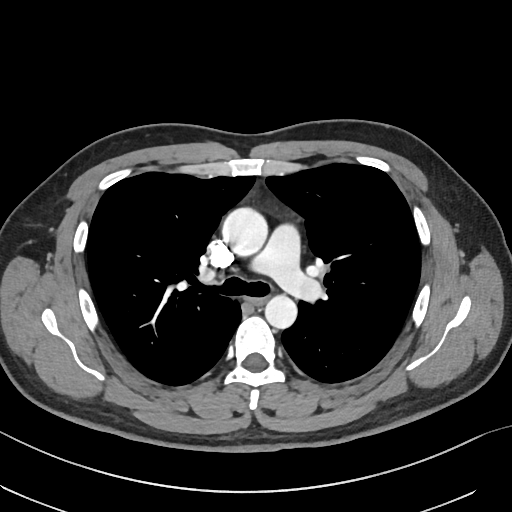

Chest-level slice from an abdominal CT that extends up into the chest. Axial slice 252/307. soft-tissue window, W/L 400/40
At this level of the chest this dataset labels only the esophagus and the aorta, and each is boxed only where it is labeled; the heart and lungs are never labeled.
<organs><organ name="esophagus" x1="251" y1="297" x2="267" y2="304"/><organ name="aorta" x1="222" y1="207" x2="267" y2="254"/><organ name="aorta" x1="264" y1="295" x2="297" y2="329"/></organs>